Chest-level slice from an abdominal CT that extends up into the chest — Axial slice 127/133 — W/L 400/40 HU
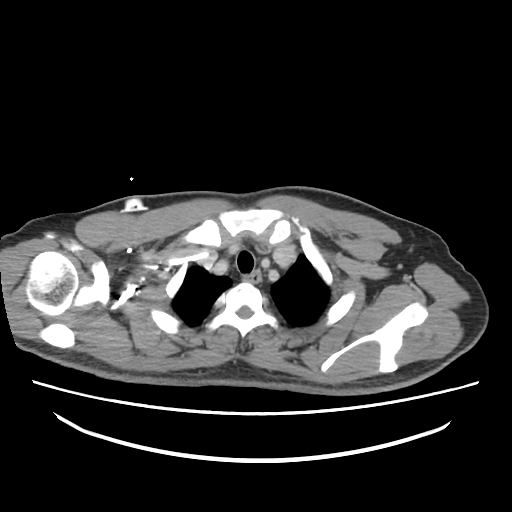 On a slice this high in the chest, this dataset labels only the esophagus and the aorta, and each is boxed only where it is labeled; the heart, lungs and other chest structures are not labeled. Boxes are (x1, y1, x2, y2) in pixels. 1 labeled organ on this slice — esophagus at (243, 268, 260, 282).